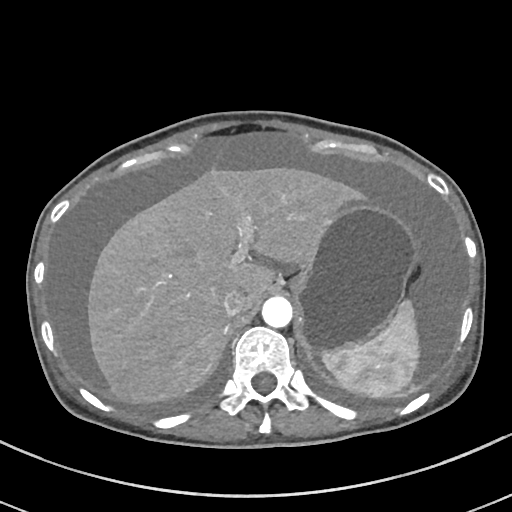
Computed tomography, abdomen; axial plane, index 185; acquired on SOMATOM Force
Each box given as x1,y1,x2,y2. 5 labeled organs on this slice — inferior vena cava at x1=222, y1=289, x2=247, y2=316; spleen at x1=322, y1=299, x2=419, y2=398; liver at x1=88, y1=167, x2=360, y2=404; stomach at x1=290, y1=201, x2=415, y2=354; aorta at x1=262, y1=296, x2=292, y2=327.